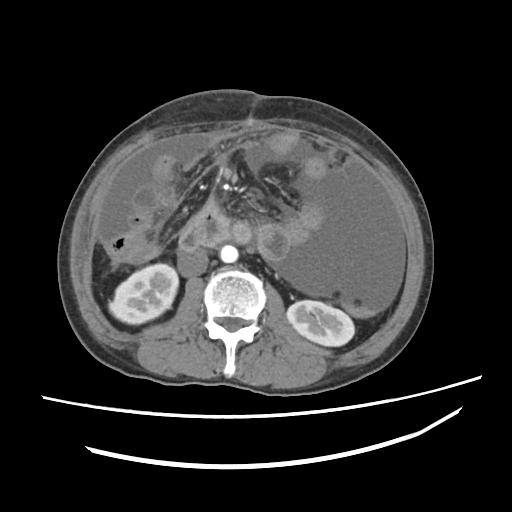
Abdominal CT. Axial slice 63/103. Aquilion ONE scanner
One row per box, in pixels: columns x1 and y1 give the top-left corner, x2 and y2 the bottom-right.
| organ | x1 | y1 | x2 | y2 |
|---|---|---|---|---|
| right kidney | 109 | 263 | 179 | 323 |
| left kidney | 286 | 300 | 356 | 346 |
| aorta | 220 | 244 | 238 | 262 |
| inferior vena cava | 177 | 250 | 208 | 276 |
| duodenum | 180 | 200 | 253 | 249 |